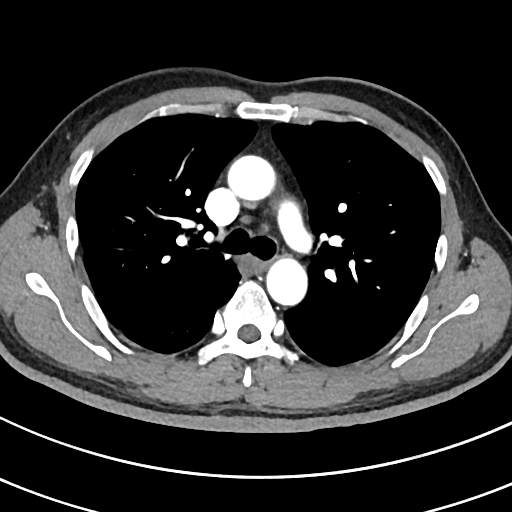 Chest-level slice from an abdominal CT that extends up into the chest · axial view · SOMATOM Force scanner
On a slice this high in the chest, this dataset labels only the esophagus and the aorta, and each is boxed only where it is labeled; the heart, lungs and other chest structures are not labeled. Each box given as x1,y1,x2,y2. 2 labeled organs on this slice — esophagus at x1=241, y1=257, x2=265, y2=272; aorta at x1=227, y1=155, x2=275, y2=200; aorta at x1=266, y1=258, x2=307, y2=305.